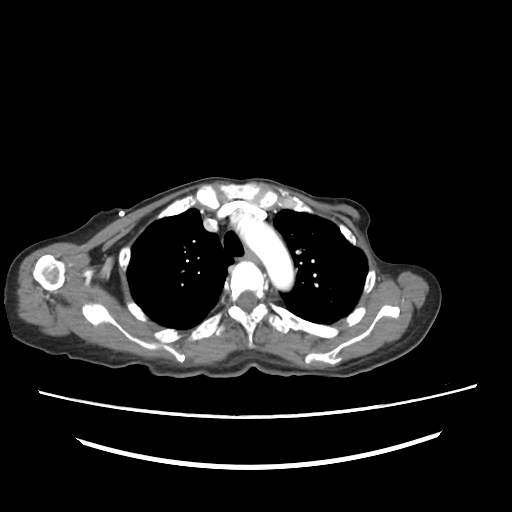 Abdominal CT; this slice is in the lower chest, just above the liver. Axial slice 100/111. 512x512 px
Of the structures in the chest, this dataset labels only the esophagus, the aorta and the inferior vena cava; the heart and lungs have no label.
Boxes: x1:y1:x2:y2 in pixels.
esophagus: 246:251:261:264
aorta: 240:219:293:290